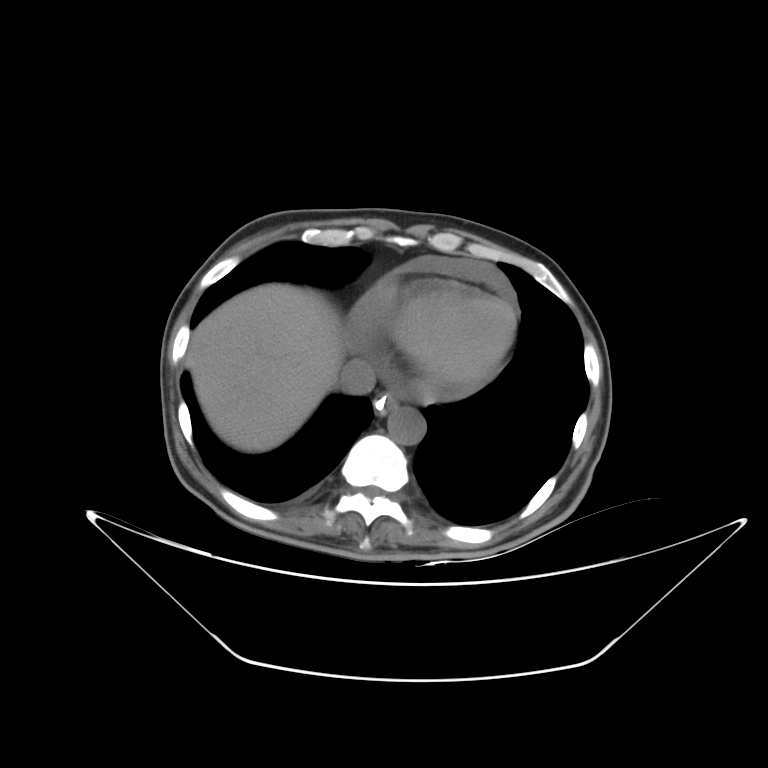 Abdominal CT · axial view · 768x768 px
Boxes: x1 y1 x2 y2 (pixel coords, space-separated).
esophagus: 375 393 398 414
liver: 186 283 345 452
aorta: 388 407 425 444
inferior vena cava: 339 358 376 394